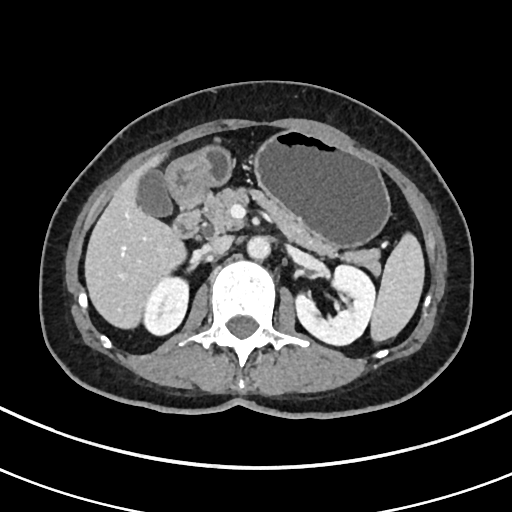
Computed tomography, abdomen; axial plane, index 132; scan has 15 labeled organs (that count is for the whole scan; organs this slice misses have no box)
Each box given as x1,y1,x2,y2.
duodenum: x1=172, y1=195, x2=204, y2=238
aorta: x1=247, y1=237, x2=270, y2=260
liver: x1=83, y1=150, x2=186, y2=330
spleen: x1=369, y1=235, x2=425, y2=340
stomach: x1=165, y1=131, x2=391, y2=249
left kidney: x1=294, y1=265, x2=374, y2=346
right kidney: x1=143, y1=278, x2=187, y2=334
pancreas: x1=201, y1=187, x2=379, y2=275
inferior vena cava: x1=204, y1=236, x2=232, y2=254
gall bladder: x1=138, y1=170, x2=173, y2=217